Abdominal CT — axial view — soft-tissue window — acquired on Aquilion ONE
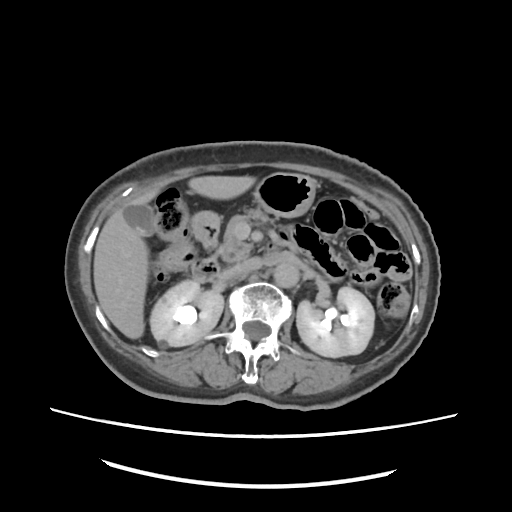
<organs><organ name="right kidney" x1="149" y1="280" x2="223" y2="348"/><organ name="left kidney" x1="297" y1="286" x2="374" y2="356"/><organ name="gall bladder" x1="122" y1="203" x2="152" y2="236"/><organ name="liver" x1="94" y1="175" x2="254" y2="339"/><organ name="stomach" x1="190" y1="173" x2="315" y2="241"/><organ name="aorta" x1="274" y1="261" x2="298" y2="287"/><organ name="inferior vena cava" x1="224" y1="259" x2="262" y2="279"/><organ name="pancreas" x1="218" y1="209" x2="267" y2="262"/><organ name="duodenum" x1="195" y1="238" x2="280" y2="283"/></organs>